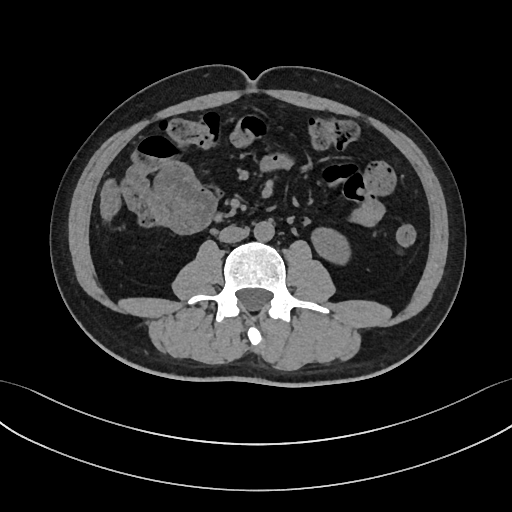
Abdominal CT — axial view — soft-tissue window — 512x512 px — 15 organs annotated in this scan (counted over the whole 3D scan, not this slice; an organ is boxed only where this slice passes through it)
Coordinates as <box>x1,y1,x2,y2</box> in pixels.
left kidney: <box>311,227,350,264</box>
aorta: <box>253,221,274,241</box>
inferior vena cava: <box>219,225,248,242</box>